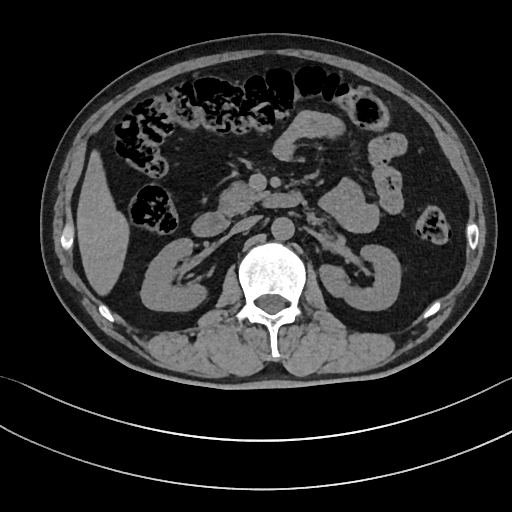

CT abdomen — axial view — W/L 400/40 HU — 15 organs annotated in this scan (that count is for the whole scan; organs this slice misses have no box)
{"organs":{"right kidney":[140,237,204,310],"left kidney":[320,244,403,310],"liver":[77,153,127,292],"aorta":[271,216,294,239],"inferior vena cava":[232,215,260,233],"pancreas":[220,182,265,215],"duodenum":[194,194,300,236]}}